CT abdomen — axial view — soft-tissue window (W 400 / L 40) — 512x512 px — SOMATOM Force scanner
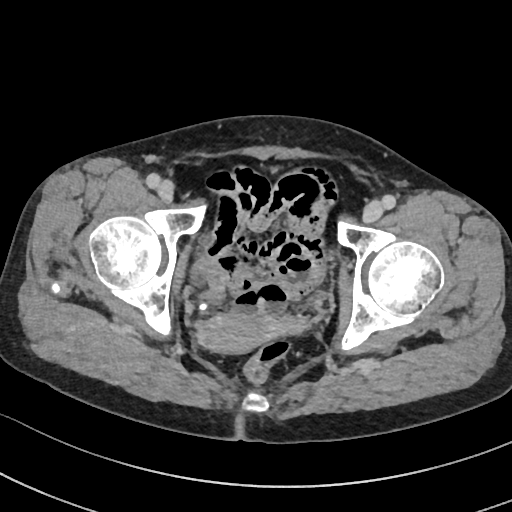

{"organs":{"prostate/uterus":[199,315,287,354]}}